Abdominal CT reaching into the chest; this slice is in the chest; Axial slice 277/294; soft-tissue window (W 400 / L 40); SOMATOM Force scanner
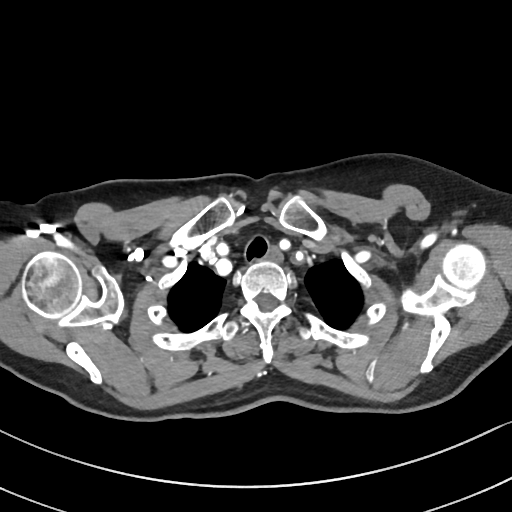
At this level of the chest no structure but the esophagus and the aorta has a label in this dataset, and those two are boxed only where they are labeled.
Each box given as x1,y1,x2,y2.
Organ bounding boxes:
- esophagus: x1=265, y1=247, x2=283, y2=261